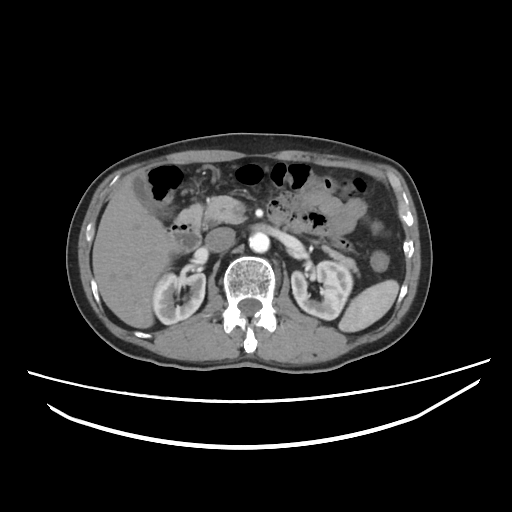 CT, abdomen/pelvis; axial view; soft-tissue window
<organs><organ name="pancreas" x1="205" y1="196" x2="358" y2="272"/><organ name="left kidney" x1="291" y1="261" x2="352" y2="320"/><organ name="spleen" x1="338" y1="279" x2="399" y2="332"/><organ name="aorta" x1="249" y1="232" x2="269" y2="252"/><organ name="inferior vena cava" x1="205" y1="227" x2="235" y2="252"/><organ name="duodenum" x1="165" y1="203" x2="203" y2="252"/><organ name="gall bladder" x1="132" y1="174" x2="167" y2="217"/><organ name="right kidney" x1="152" y1="273" x2="205" y2="324"/><organ name="liver" x1="92" y1="176" x2="176" y2="328"/></organs>